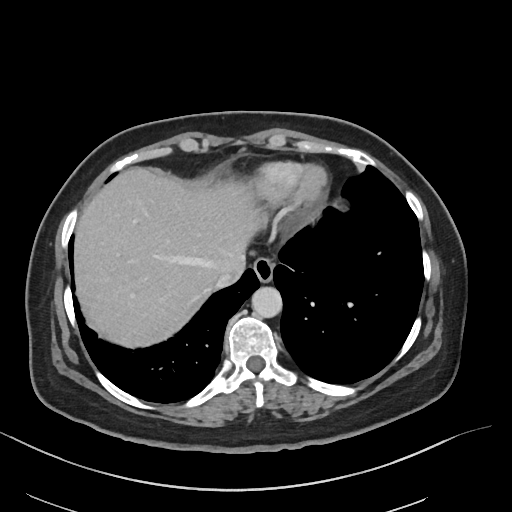 CT, abdomen/pelvis — axial view — 512x512 px
<organs><organ name="esophagus" x1="253" y1="259" x2="274" y2="283"/><organ name="liver" x1="75" y1="168" x2="259" y2="346"/><organ name="aorta" x1="251" y1="287" x2="282" y2="317"/><organ name="inferior vena cava" x1="214" y1="271" x2="235" y2="287"/></organs>